Abdominal CT · axial view · soft-tissue window (W 400 / L 40) · 50-year-old male patient
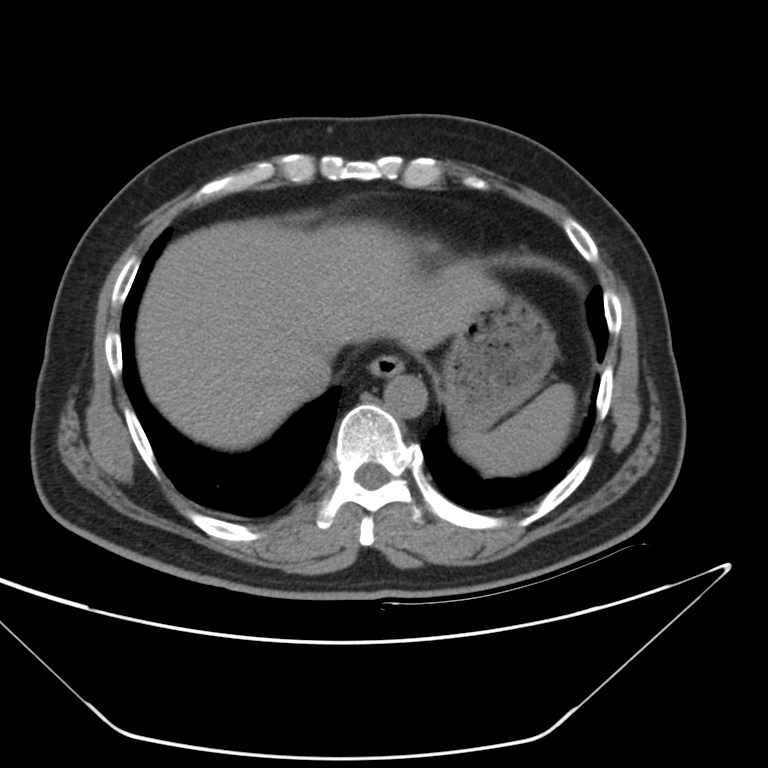 Box edges are left/top/right/bottom in pixels.
spleen: left=455, top=382, right=574, bottom=476
esophagus: left=369, top=353, right=402, bottom=378
liver: left=137, top=219, right=500, bottom=450
stomach: left=443, top=290, right=557, bottom=427
aorta: left=383, top=371, right=428, bottom=418
inferior vena cava: left=289, top=355, right=330, bottom=395